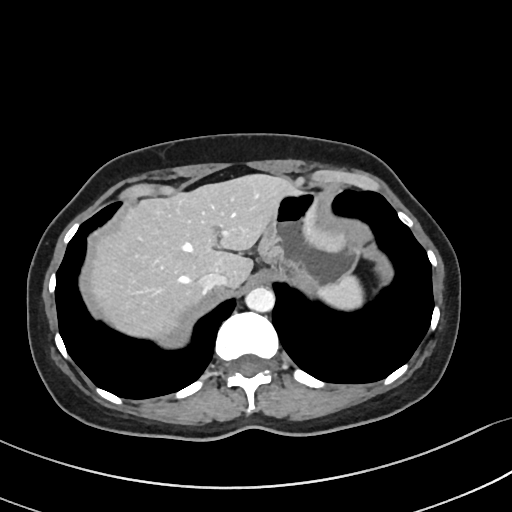 CT abdomen. axial plane, index 157. soft-tissue window (W 400 / L 40)
{"organs":{"spleen":[317,277,364,309],"liver":[90,175,293,331],"stomach":[258,191,360,283],"aorta":[245,286,274,312],"inferior vena cava":[199,274,228,290]}}